Abdominal CT — axial plane, index 135 — abdomen soft-tissue window — acquired on SOMATOM Force — scan has 15 labeled organs (counted over the whole 3D scan, not this slice; an organ is boxed only where this slice passes through it)
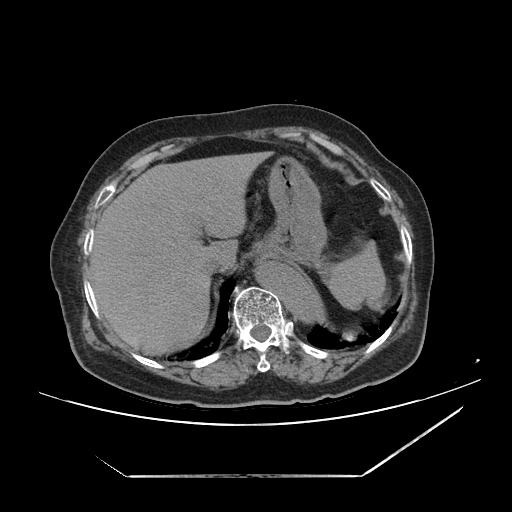
Boxes: x1 y1 x2 y2 (pixel coords, space-separated).
Organ bounding boxes:
- spleen: 322 240 385 309
- liver: 90 151 274 355
- stomach: 253 158 328 264
- aorta: 259 264 323 326
- inferior vena cava: 203 253 234 273